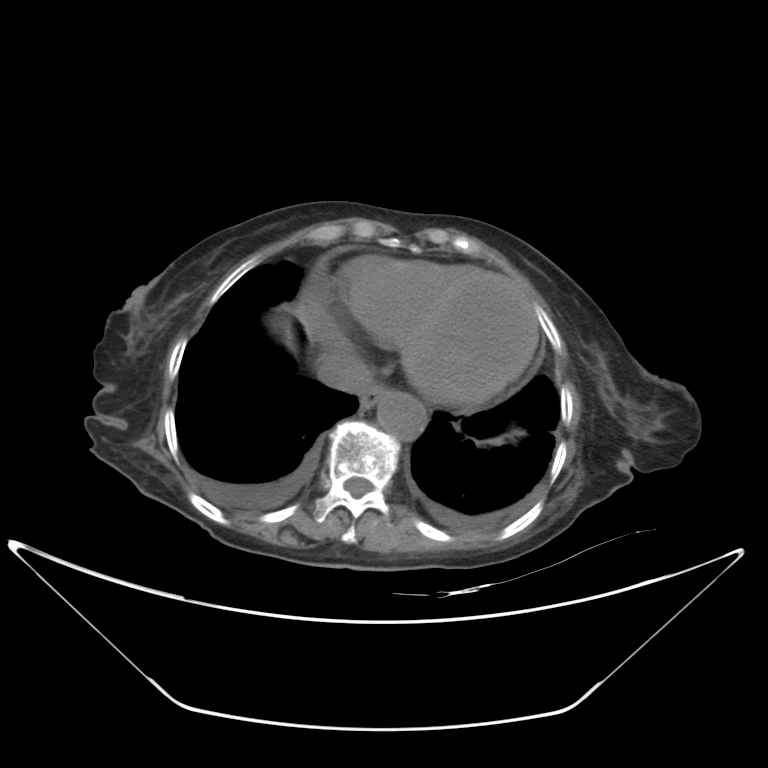 Abdominal CT; this slice is in the lower chest, just above the liver — axial view — acquired on Brilliance16 — scan has 15 labeled organs (a whole-scan count: organs this slice does not pass through have no box)
Of the structures in the chest, this dataset labels only the esophagus, the aorta and the inferior vena cava; the heart and lungs have no label.
Box edges are left/top/right/bottom in pixels.
Organ bounding boxes:
- esophagus: left=359, top=384, right=389, bottom=408
- aorta: left=377, top=391, right=426, bottom=441
- inferior vena cava: left=316, top=351, right=372, bottom=393